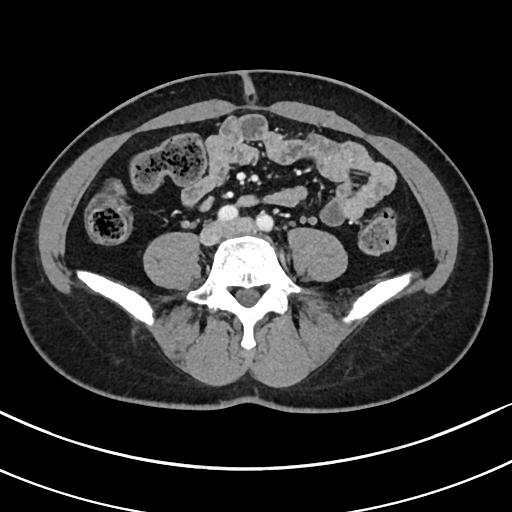

CT, abdomen/pelvis — axial view — 512x512 px
One row per box, in pixels: columns x1 and y1 give the top-left corner, x2 and y2 the bottom-right.
| organ | x1 | y1 | x2 | y2 |
|---|---|---|---|---|
| aorta | 222 | 206 | 238 | 218 |
| aorta | 256 | 214 | 270 | 228 |